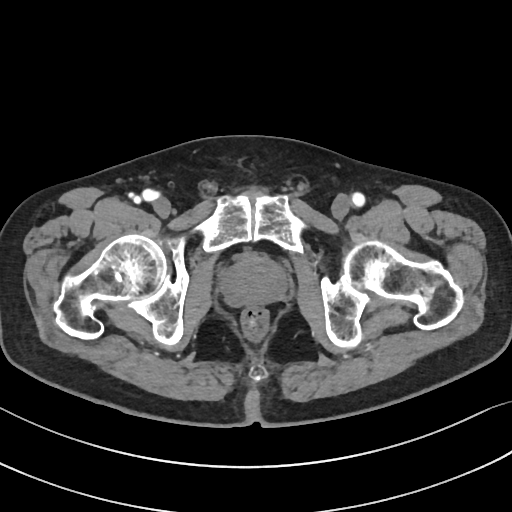

CT, abdomen/pelvis — Axial slice 27/306 — soft-tissue window — 512x512 px — 15 organs annotated in this scan (a whole-scan count: organs this slice does not pass through have no box)
Boxes are (x1, y1, x2, y2) in pixels. 1 labeled organ on this slice — prostate/uterus at (222, 256, 286, 305).